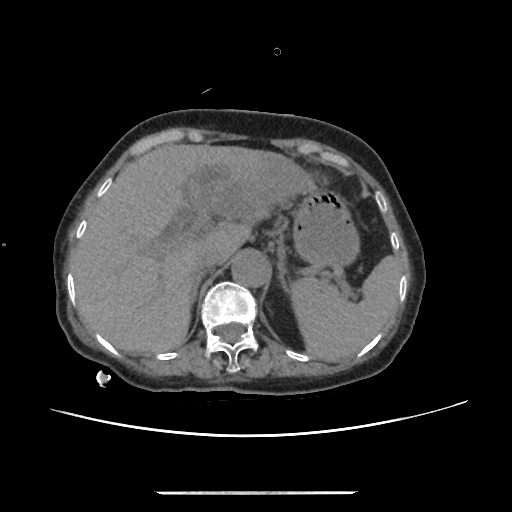

CT abdomen · axial plane, index 272 · abdomen soft-tissue window · 512x512 px
Bounding boxes as [x1, y1, x2, y2] in pixel coordinates. The annotated organs in this slice are: liver at [70, 144, 316, 352], spleen at [291, 254, 401, 361], aorta at [230, 252, 268, 286], left adrenal gland at [277, 259, 290, 291], right adrenal gland at [188, 277, 200, 309], stomach at [294, 190, 358, 266], inferior vena cava at [192, 249, 220, 277].